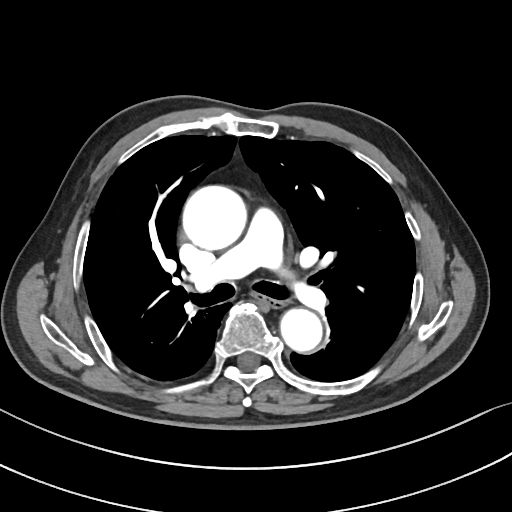

Chest-level CT slice, above the liver and spleen — axial view — 512x512 px — acquired on SOMATOM Force — 15 organs annotated in this scan (counted over the whole 3D scan, not this slice; an organ is boxed only where this slice passes through it)
On a slice this high in the chest, this dataset labels only the esophagus and the aorta, and each is boxed only where it is labeled; the heart, lungs and other chest structures are not labeled. Box edges are left/top/right/bottom in pixels. 2 labeled organs on this slice — esophagus at left=253, top=293, right=285, bottom=308; aorta at left=182, top=185, right=245, bottom=250; aorta at left=281, top=309, right=322, bottom=352.